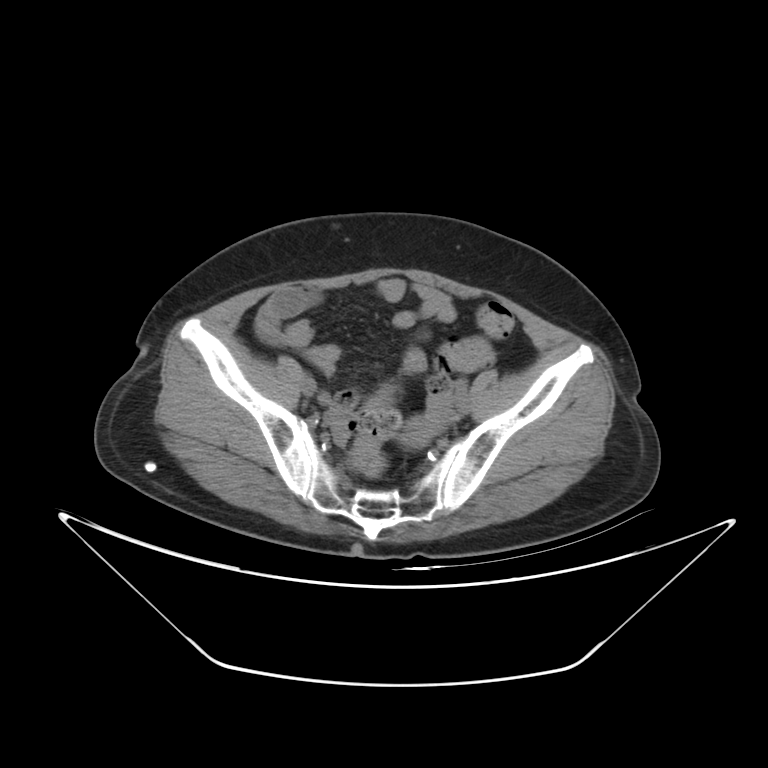

Abdominal CT — Axial slice 26/93 — 768x768 px — 15 organs annotated in this scan (a whole-scan count: organs this slice does not pass through have no box)
Boxes are (x1, y1, x2, y2) in pixels.
prostate/uterus: (407, 423, 434, 446)